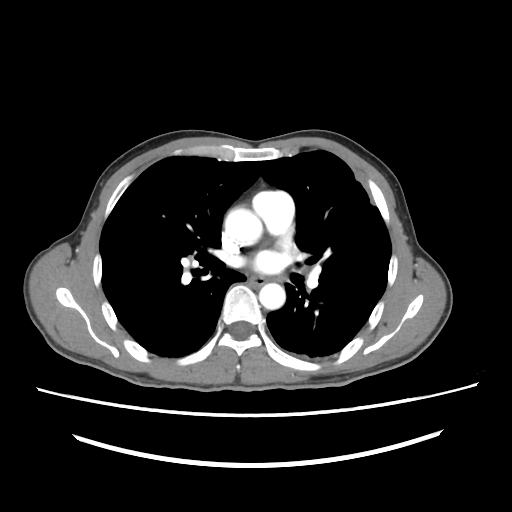
Chest-level CT slice, above the liver and spleen · axial view · soft-tissue window, W/L 400/40 · 51-year-old male patient
At this level of the chest no structure but the esophagus and the aorta has a label in this dataset, and those two are boxed only where they are labeled.
{"organs":{"esophagus":[248,277,266,288],"aorta":[[227,207,261,244],[258,282,284,308]]}}